Abdominal CT — axial view — scan has 15 labeled organs (that count is for the whole scan; organs this slice misses have no box)
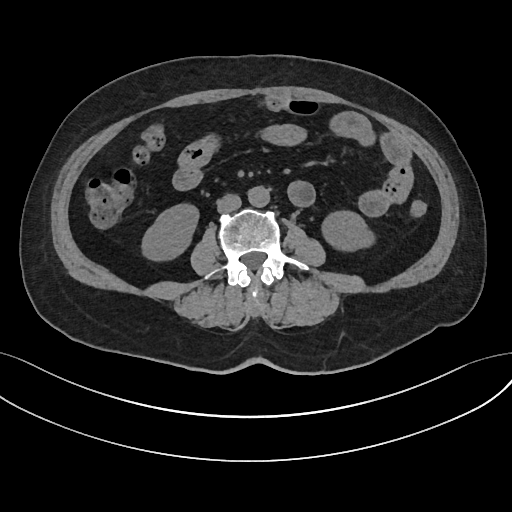

Each box given as x1,y1,x2,y2. 4 labeled organs on this slice — right kidney at x1=142, y1=204, x2=197, y2=259; left kidney at x1=323, y1=212, x2=374, y2=248; aorta at x1=248, y1=186, x2=270, y2=206; inferior vena cava at x1=216, y1=194, x2=241, y2=213.